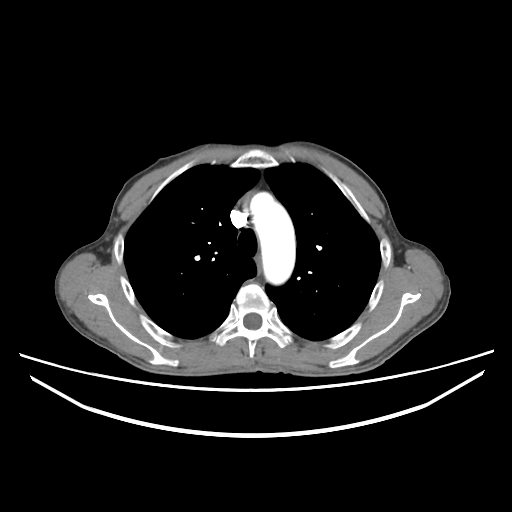 Abdominal CT reaching into the chest; this slice is in the chest; axial view; W/L 400/40 HU; 512x512 px
At this level of the chest this dataset labels only the esophagus and the aorta, and each is boxed only where it is labeled; the heart and lungs are never labeled.
Boxes: x1:y1:x2:y2 in pixels.
esophagus: 255:255:261:274
aorta: 250:192:295:284